Lower-chest slice from an abdominal CT, just above the liver and spleen; Axial slice 64/104; soft-tissue window; 768x768 px; acquired on Brilliance16
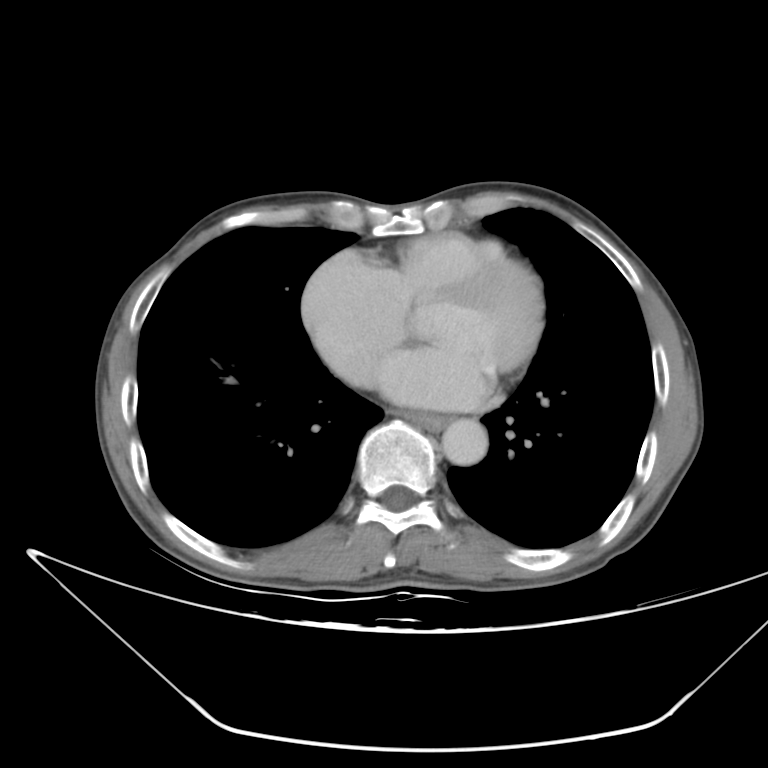
The heart and lungs are never labeled in this dataset, so they have no box on this slice.
Bounding boxes as [x1, y1, x2, y2] in pixel coordinates.
Organ bounding boxes:
- aorta: [439, 417, 485, 463]
- esophagus: [387, 409, 444, 432]